Magnetic resonance imaging, abdomen. Axial slice 29/72. percentile-normalized. scan has 13 labeled organs (that count is for the whole scan; organs this slice misses have no box)
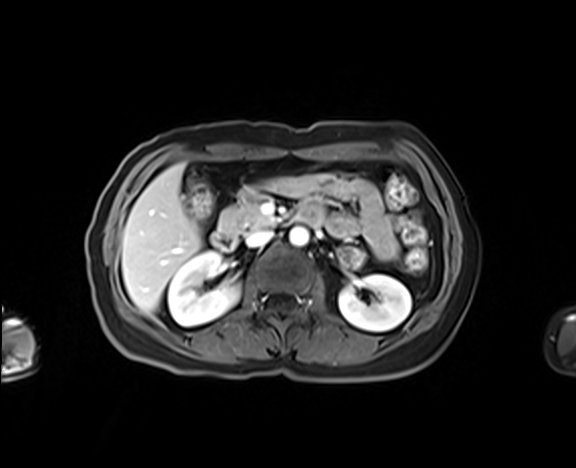
Box edges are left/top/right/bottom in pixels. The annotated organs in this slice are: right kidney at left=168, top=251, right=239, bottom=325, left kidney at left=338, top=274, right=411, bottom=331, liver at left=122, top=164, right=202, bottom=313, aorta at left=289, top=227, right=308, bottom=246, inferior vena cava at left=246, top=230, right=272, bottom=246, pancreas at left=219, top=193, right=275, bottom=236, duodenum at left=211, top=202, right=326, bottom=250.